CT, abdomen/pelvis. axial view. W/L 400/40 HU. 512x512 px. scan has 15 labeled organs (that count is for the whole scan; organs this slice misses have no box)
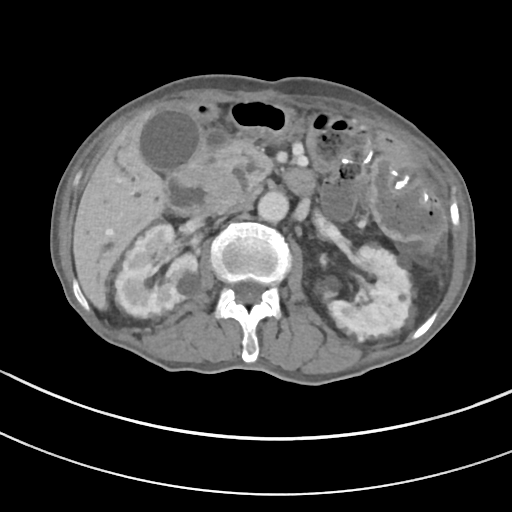

<organs><organ name="right kidney" x1="115" y1="224" x2="197" y2="317"/><organ name="left kidney" x1="321" y1="246" x2="412" y2="338"/><organ name="gall bladder" x1="141" y1="110" x2="202" y2="175"/><organ name="liver" x1="73" y1="107" x2="163" y2="310"/><organ name="stomach" x1="400" y1="175" x2="409" y2="183"/><organ name="aorta" x1="257" y1="191" x2="288" y2="223"/><organ name="inferior vena cava" x1="211" y1="197" x2="245" y2="214"/><organ name="pancreas" x1="216" y1="138" x2="272" y2="194"/><organ name="duodenum" x1="163" y1="127" x2="313" y2="215"/></organs>